CT of the abdomen extending into the chest, slice through the chest · axial view · 512x512 px · acquired on Aquilion ONE
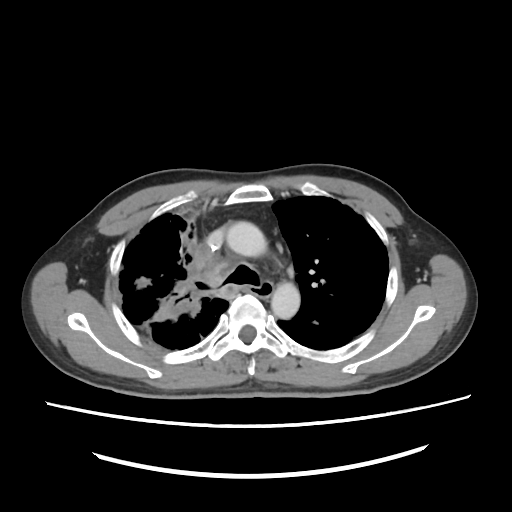

On a slice this high in the chest, this dataset labels only the esophagus and the aorta, and each is boxed only where it is labeled; the heart, lungs and other chest structures are not labeled.
Each box given as x1,y1,x2,y2.
aorta: x1=225, y1=220, x2=266, y2=255
aorta: x1=271, y1=283, x2=299, y2=319